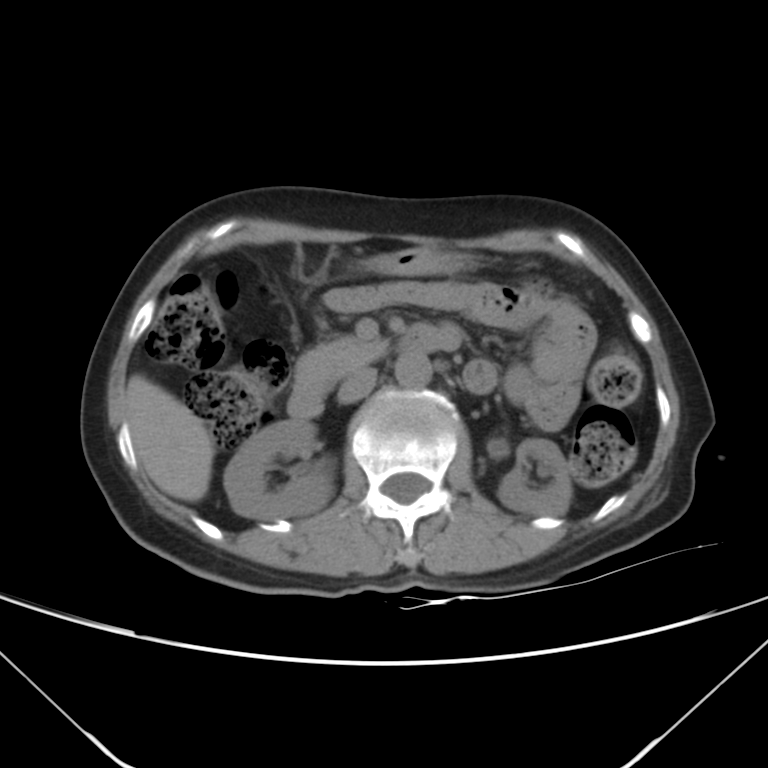
CT, abdomen/pelvis; Axial slice 66/92; soft-tissue window; 768x768 px; 63-year-old female patient; 15 organs annotated in this scan (counted over the whole 3D scan, not this slice; an organ is boxed only where this slice passes through it)
Box edges are left/top/right/bottom in pixels.
Organ bounding boxes:
- aorta: left=394, top=351, right=432, bottom=388
- right kidney: left=223, top=419, right=332, bottom=519
- liver: left=126, top=375, right=214, bottom=502
- duodenum: left=288, top=323, right=462, bottom=418
- stomach: left=363, top=246, right=467, bottom=277
- pancreas: left=295, top=337, right=385, bottom=385
- left kidney: left=497, top=438, right=572, bottom=516
- inferior vena cava: left=337, top=367, right=376, bottom=402